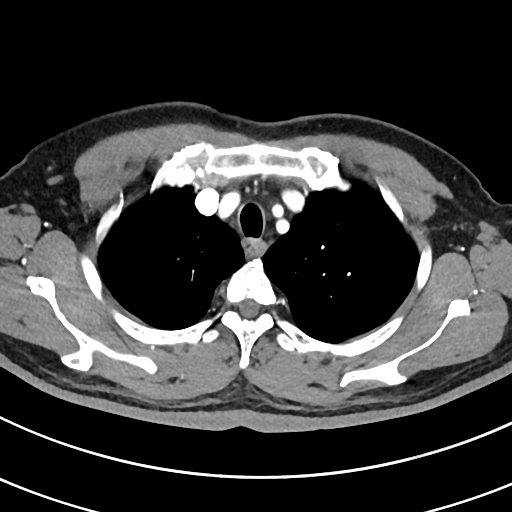

Chest-level CT slice, above the liver and spleen. axial view. 512x512 px. 15 organs annotated in this scan (that count is for the whole scan; organs this slice misses have no box)
At this level of the chest this dataset labels only the esophagus and the aorta, and each is boxed only where it is labeled; the heart and lungs are never labeled.
{"organs":{"esophagus":[242,238,266,256]}}